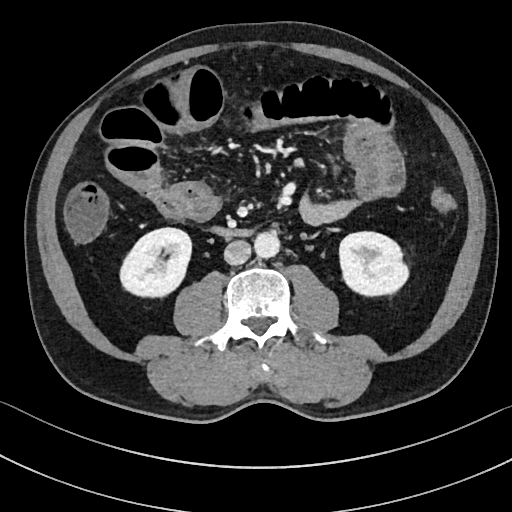 Abdominal CT · Axial slice 121/232 · 512x512 px · 15 organs annotated in this scan (a whole-scan count: organs this slice does not pass through have no box)
Bounding boxes as [x1, y1, x2, y2] in pixel coordinates. The annotated organs in this slice are: left kidney at [339, 231, 408, 296], inferior vena cava at [224, 240, 251, 264], duodenum at [214, 226, 250, 236], aorta at [254, 232, 280, 257], right kidney at [120, 228, 191, 297].